Abdominal CT · axial view · 512x512 px
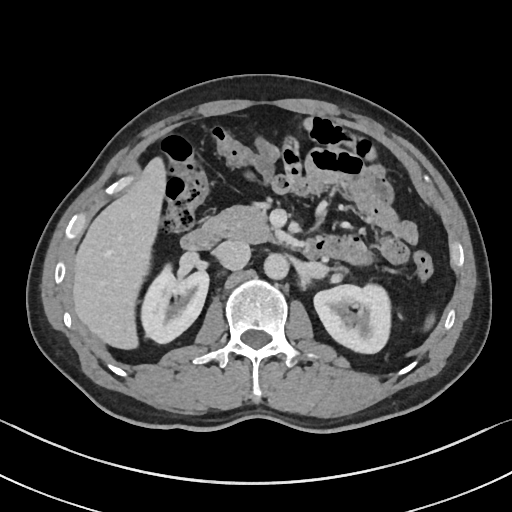 Each box given as x1,y1,x2,y2.
Organ bounding boxes:
- aorta: x1=264, y1=253, x2=288, y2=279
- right kidney: x1=141, y1=264, x2=208, y2=343
- left kidney: x1=314, y1=283, x2=390, y2=353
- liver: x1=72, y1=157, x2=165, y2=349
- inferior vena cava: x1=215, y1=239, x2=250, y2=270
- pancreas: x1=204, y1=205, x2=276, y2=243
- duodenum: x1=181, y1=225, x2=329, y2=258
- spleen: x1=425, y1=316, x2=434, y2=328